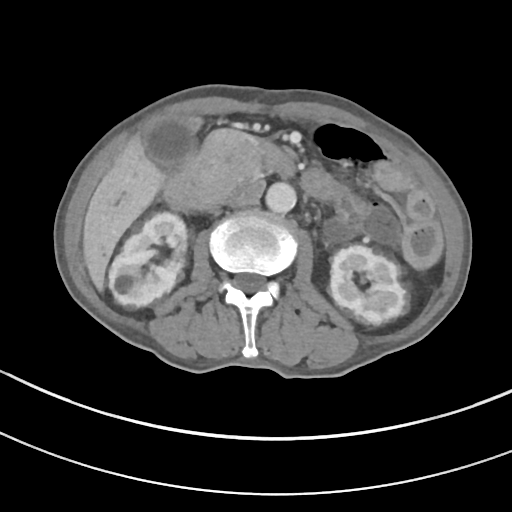

Computed tomography, abdomen. Axial slice 50/122. W/L 400/40 HU. 512x512 px
<organs><organ name="right kidney" x1="108" y1="212" x2="186" y2="306"/><organ name="left kidney" x1="329" y1="245" x2="407" y2="324"/><organ name="gall bladder" x1="146" y1="115" x2="193" y2="166"/><organ name="liver" x1="83" y1="140" x2="163" y2="289"/><organ name="aorta" x1="265" y1="182" x2="296" y2="213"/><organ name="inferior vena cava" x1="233" y1="180" x2="264" y2="205"/><organ name="pancreas" x1="225" y1="198" x2="229" y2="201"/><organ name="duodenum" x1="165" y1="129" x2="308" y2="210"/></organs>